CT abdomen; axial plane, index 22
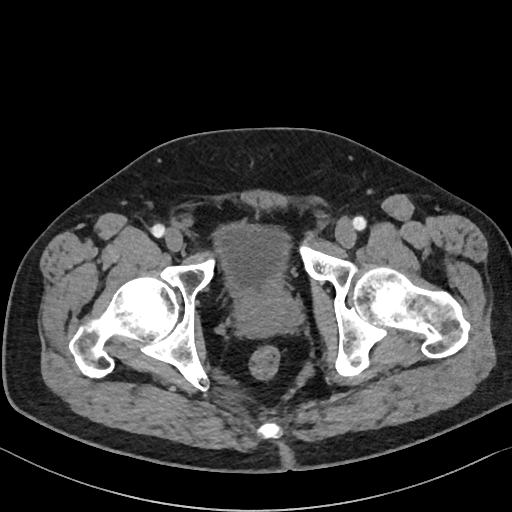
Organ boxes in pixel coordinates; each row gives the top-left (x1, y1) and bottom-right (x2, y2) corners.
| organ | x1 | y1 | x2 | y2 |
|---|---|---|---|---|
| bladder | 213 | 225 | 289 | 298 |
| prostate/uterus | 237 | 290 | 297 | 337 |